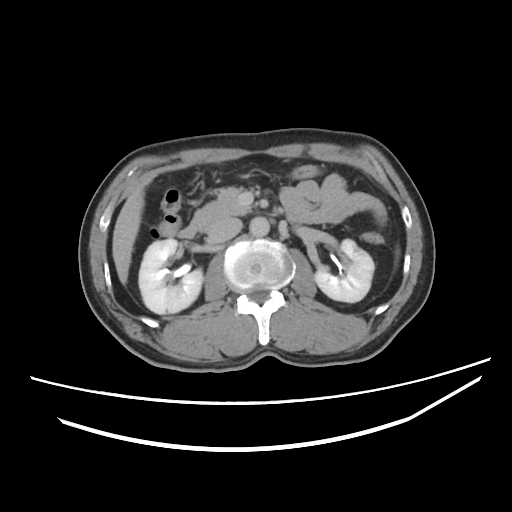
CT, abdomen/pelvis · axial plane, index 72 · soft-tissue window (W 400 / L 40) · 58-year-old male patient
{"organs":{"right kidney":[138,239,201,315],"left kidney":[315,239,374,302],"liver":[111,185,144,284],"aorta":[250,216,270,237],"inferior vena cava":[209,216,242,242],"pancreas":[196,186,250,217],"duodenum":[177,207,311,238]}}